CT abdomen; axial plane, index 68; acquired on Aquilion ONE; 15 organs annotated in this scan (counted over the whole 3D scan, not this slice; an organ is boxed only where this slice passes through it)
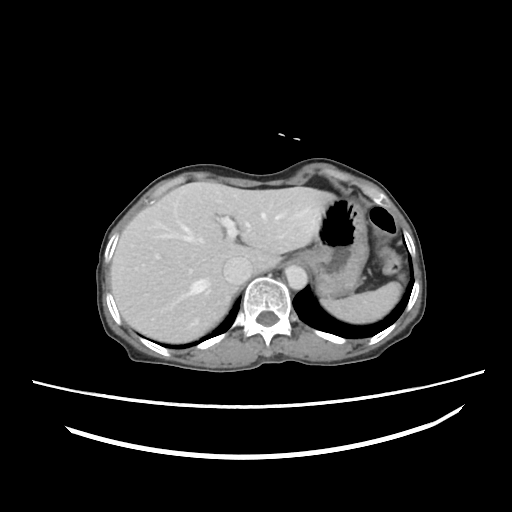 Bounding boxes as [x1, y1, x2, y2] in pixel coordinates.
spleen: [320, 273, 405, 323]
liver: [109, 181, 332, 341]
stomach: [303, 196, 369, 297]
aorta: [285, 265, 305, 287]
inferior vena cava: [222, 257, 252, 283]